Abdominal CT · axial view · soft-tissue window · 768x768 px · 38-year-old female patient · scan has 15 labeled organs (counted over the whole 3D scan, not this slice; an organ is boxed only where this slice passes through it)
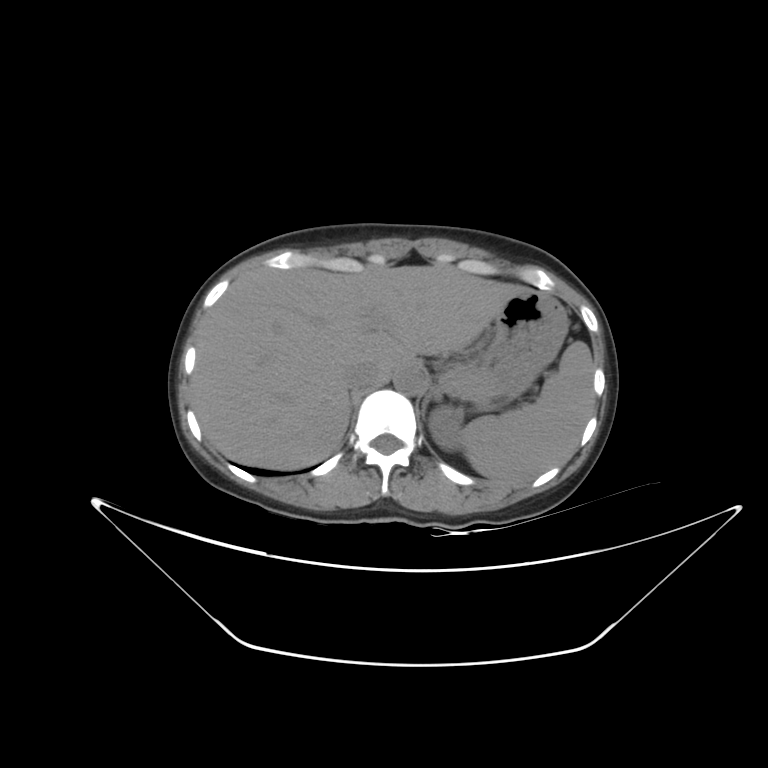

{"organs":{"left adrenal gland":[421,386,442,420],"left kidney":[429,408,462,451],"spleen":[462,341,594,484],"stomach":[480,289,568,398],"pancreas":[440,363,490,400],"liver":[192,266,522,469],"inferior vena cava":[344,363,380,388],"aorta":[393,366,425,395]}}